CT, abdomen/pelvis — axial view — soft-tissue window (W 400 / L 40) — acquired on SOMATOM Force
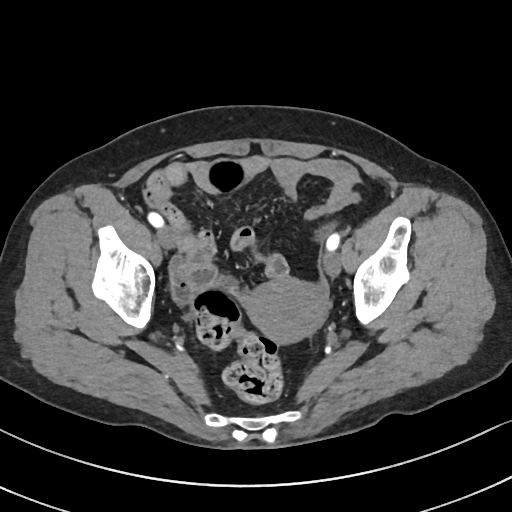 Coordinates as <box>x1,y1,x2,y2</box> in pixels. The annotated organs in this slice are: prostate/uterus at <box>244,276,327,341</box>.